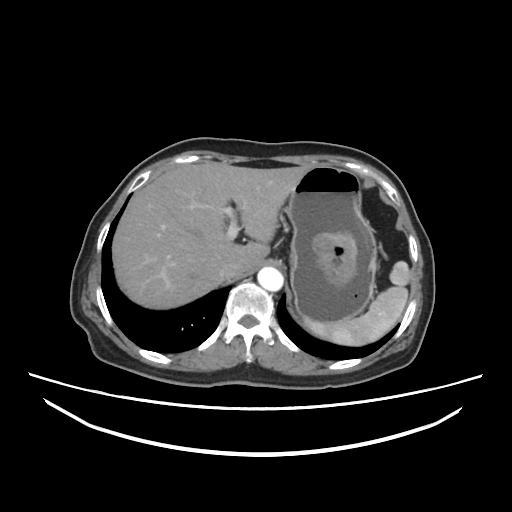 CT, abdomen/pelvis — axial view — 512x512 px — 62-year-old female patient
{"organs":{"spleen":[302,261,409,345],"liver":[112,162,310,307],"stomach":[285,166,376,321],"aorta":[258,268,284,291],"inferior vena cava":[218,261,236,277]}}